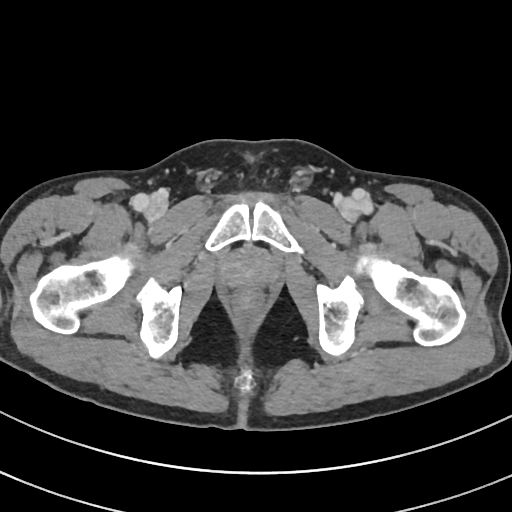
CT, abdomen/pelvis · axial view
Organ boxes in pixel coordinates; each row gives the top-left (x1, y1) and bottom-right (x2, y2) corners.
| organ | x1 | y1 | x2 | y2 |
|---|---|---|---|---|
| prostate/uterus | 221 | 249 | 277 | 289 |